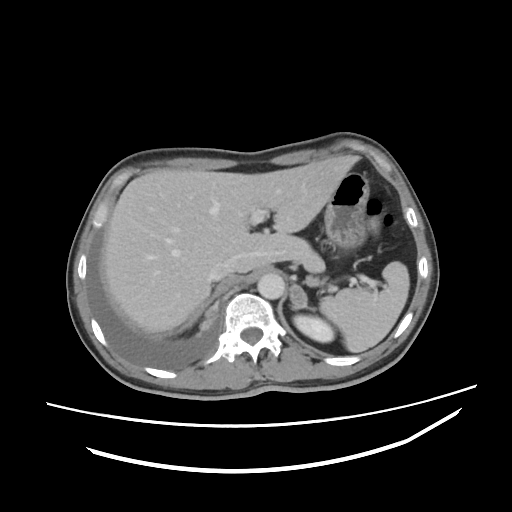

CT, abdomen/pelvis · Axial slice 77/131
<organs><organ name="spleen" x1="319" y1="261" x2="409" y2="352"/><organ name="left kidney" x1="293" y1="314" x2="334" y2="342"/><organ name="liver" x1="103" y1="155" x2="357" y2="332"/><organ name="stomach" x1="324" y1="172" x2="369" y2="250"/><organ name="aorta" x1="257" y1="273" x2="284" y2="299"/><organ name="inferior vena cava" x1="209" y1="257" x2="238" y2="281"/><organ name="left adrenal gland" x1="289" y1="287" x2="312" y2="310"/></organs>